Abdominal CT · axial view · soft-tissue window (W 400 / L 40) · 47-year-old male patient · 15 organs annotated in this scan (counted over the whole 3D scan, not this slice; an organ is boxed only where this slice passes through it)
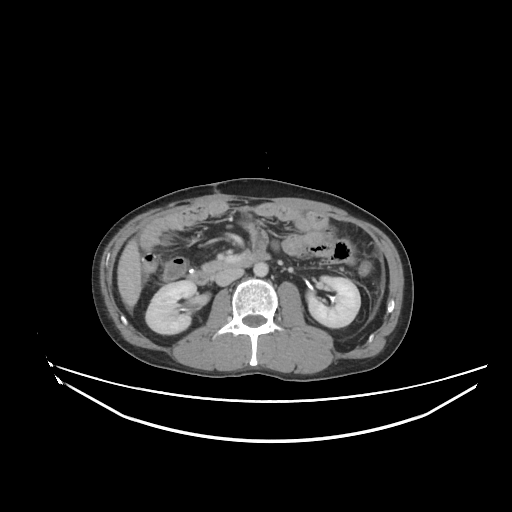
Bounding boxes in pixels, one row per box: x1, y1 is the top-left corner and x2, y2 the bottom-right.
| organ | x1 | y1 | x2 | y2 |
|---|---|---|---|---|
| right kidney | 145 | 280 | 196 | 334 |
| left kidney | 306 | 276 | 360 | 327 |
| liver | 117 | 239 | 141 | 307 |
| aorta | 253 | 262 | 268 | 276 |
| inferior vena cava | 215 | 268 | 243 | 285 |
| pancreas | 202 | 261 | 226 | 270 |
| duodenum | 188 | 246 | 270 | 284 |